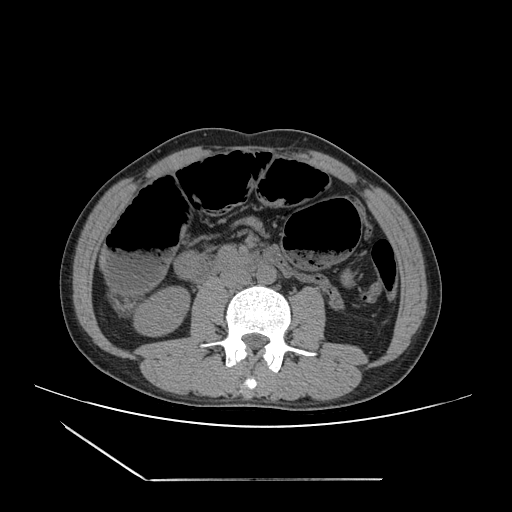 CT abdomen — axial view — soft-tissue window
Coordinates as <box>x1,y1,x2,y2</box> in pixels. Labeled organs on this slice: right kidney at <box>134,288,188,334</box>, stomach at <box>340,272,351,283</box>, aorta at <box>256,264,275,284</box>, inferior vena cava at <box>220,269,250,288</box>, duodenum at <box>194,257,281,281</box>.